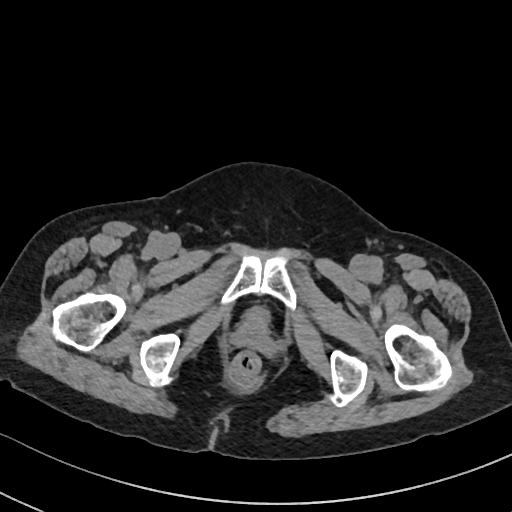
Computed tomography, abdomen — Axial slice 25/202 — soft-tissue window — 15 organs annotated in this scan (a whole-scan count: organs this slice does not pass through have no box)
<organs><organ name="bladder" x1="246" y1="307" x2="268" y2="325"/></organs>